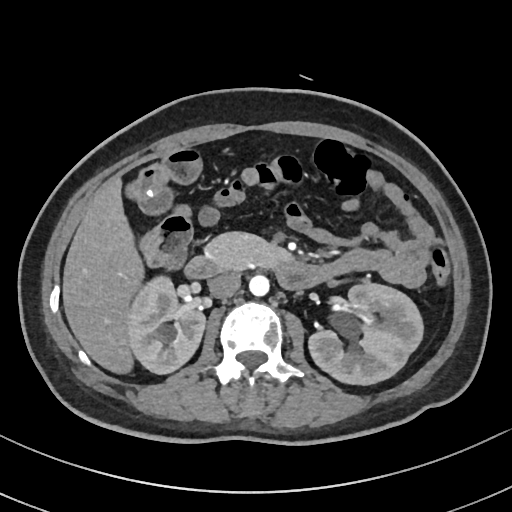
CT, abdomen/pelvis; axial view; SOMATOM Force scanner
Box edges are left/top/right/bottom in pixels.
right kidney: left=130, top=276, right=205, bottom=373
left kidney: left=307, top=284, right=422, bottom=384
liver: left=62, top=179, right=144, bottom=376
aorta: left=249, top=276, right=269, bottom=296
inferior vena cava: left=208, top=273, right=240, bottom=298
pancreas: left=204, top=231, right=293, bottom=271
duodenum: left=183, top=255, right=318, bottom=289